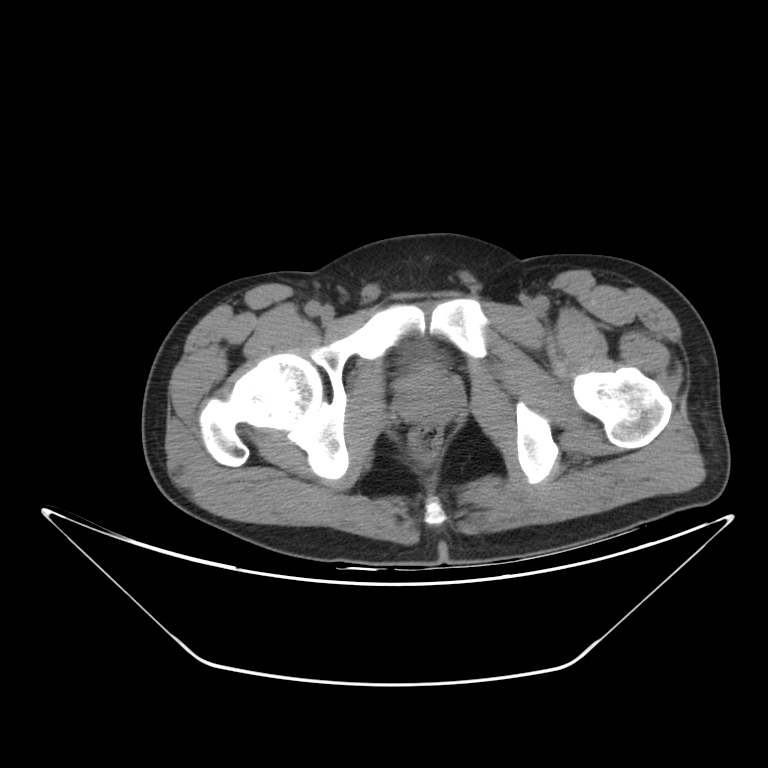 CT abdomen — axial view — 768x768 px
One row per box, in pixels: columns x1 and y1 give the top-left corner, x2 and y2 the bottom-right.
| organ | x1 | y1 | x2 | y2 |
|---|---|---|---|---|
| bladder | 404 | 344 | 438 | 371 |
| prostate/uterus | 396 | 372 | 462 | 423 |